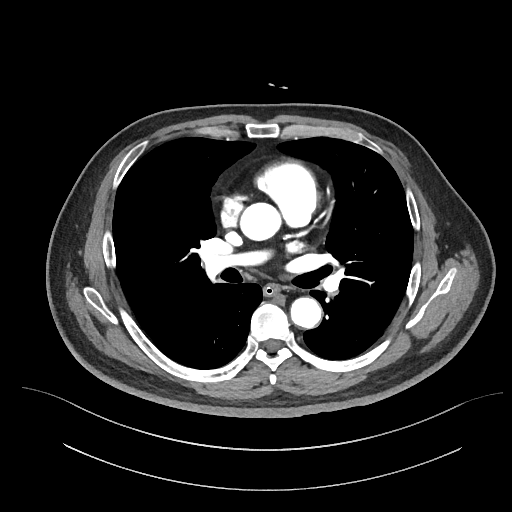
Chest-level slice from an abdominal CT that extends up into the chest; Axial slice 261/333; soft-tissue window
At this level of the chest no structure but the esophagus and the aorta has a label in this dataset, and those two are boxed only where they are labeled.
{"organs":{"aorta":[[239,202,279,240],[291,297,322,328]],"esophagus":[263,284,280,296]}}